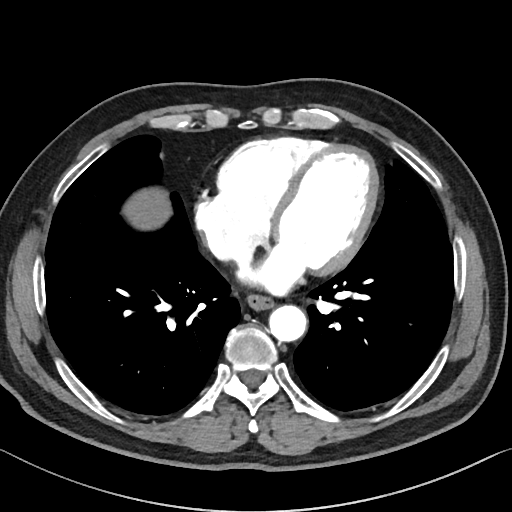

Abdominal CT — axial view
Boxes are (x1, y1, x2, y2) in pixels. Labeled organs on this slice: esophagus at (246, 296, 273, 312), liver at (128, 190, 169, 227), aorta at (269, 305, 307, 342).